Lower-chest slice from an abdominal CT, just above the liver and spleen · axial view · soft-tissue window · scan has 15 labeled organs (a whole-scan count: organs this slice does not pass through have no box)
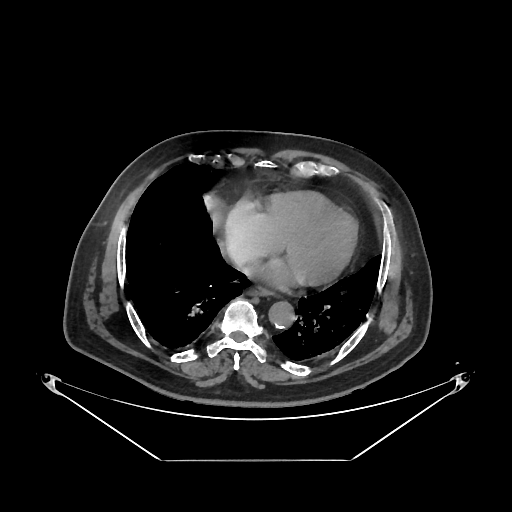

Of the structures in the chest, this dataset labels only the esophagus, the aorta and the inferior vena cava; the heart and lungs have no label.
{"organs":{"esophagus":[248,284,272,295],"aorta":[268,301,294,327],"inferior vena cava":[228,248,256,271]}}